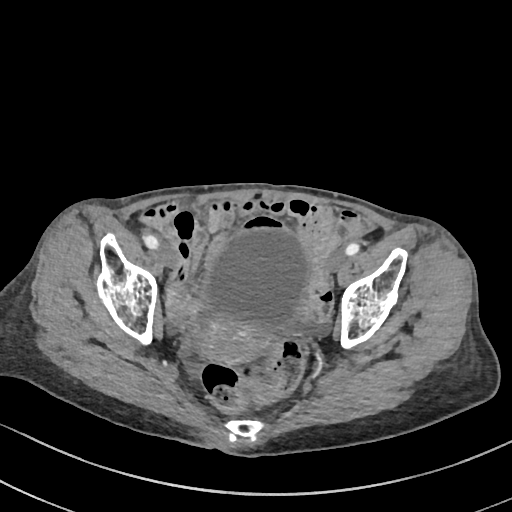 Abdominal CT — axial view — scan has 15 labeled organs (that count is for the whole scan; organs this slice misses have no box)
<organs><organ name="bladder" x1="204" y1="231" x2="309" y2="330"/><organ name="prostate/uterus" x1="200" y1="317" x2="261" y2="364"/></organs>